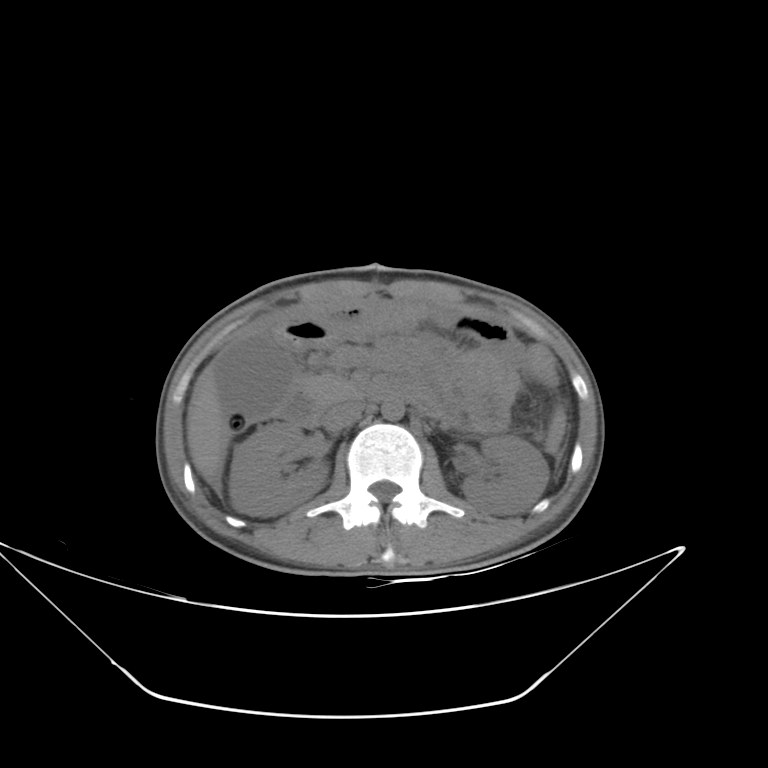 CT, abdomen/pelvis; axial view; 768x768 px; 24-year-old male patient; scan has 15 labeled organs (a whole-scan count: organs this slice does not pass through have no box)
Each box given as x1,y1,x2,y2.
right kidney: x1=229, y1=422, x2=329, y2=516
left kidney: x1=461, y1=435, x2=549, y2=515
liver: x1=187, y1=362, x2=224, y2=481
aorta: x1=381, y1=397, x2=404, y2=420
inferior vena cava: x1=323, y1=401, x2=364, y2=431
pancreas: x1=303, y1=375, x2=355, y2=405
duodenum: x1=277, y1=384, x2=388, y2=428